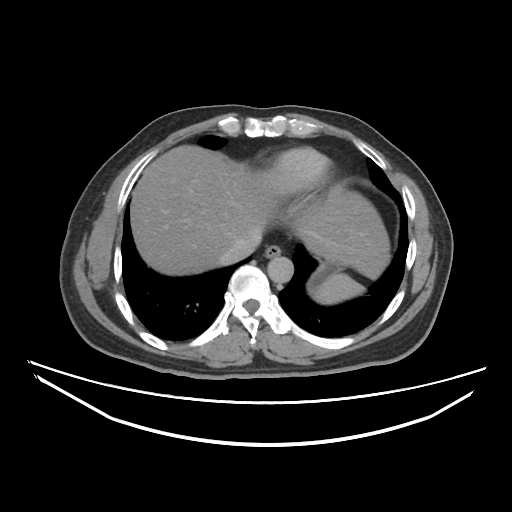

CT abdomen · Axial slice 108/115 · abdomen soft-tissue window · 55-year-old male patient
{"organs":{"aorta":[267,255,293,283],"esophagus":[263,244,280,257],"inferior vena cava":[217,234,261,264],"spleen":[309,273,366,304],"liver":[131,145,390,279],"stomach":[310,262,340,283]}}